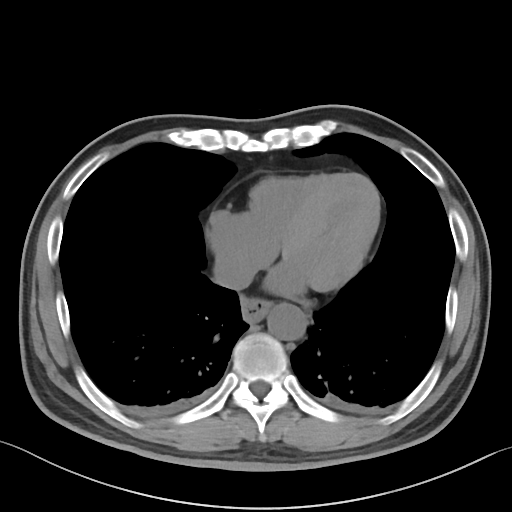

Abdominal CT; this slice is in the lower chest, just above the liver; axial view; soft-tissue window, W/L 400/40
No part of the heart or lungs is labeled in this dataset, so neither has a box here.
<organs><organ name="esophagus" x1="241" y1="297" x2="272" y2="323"/><organ name="inferior vena cava" x1="213" y1="258" x2="252" y2="289"/><organ name="aorta" x1="267" y1="302" x2="307" y2="340"/></organs>